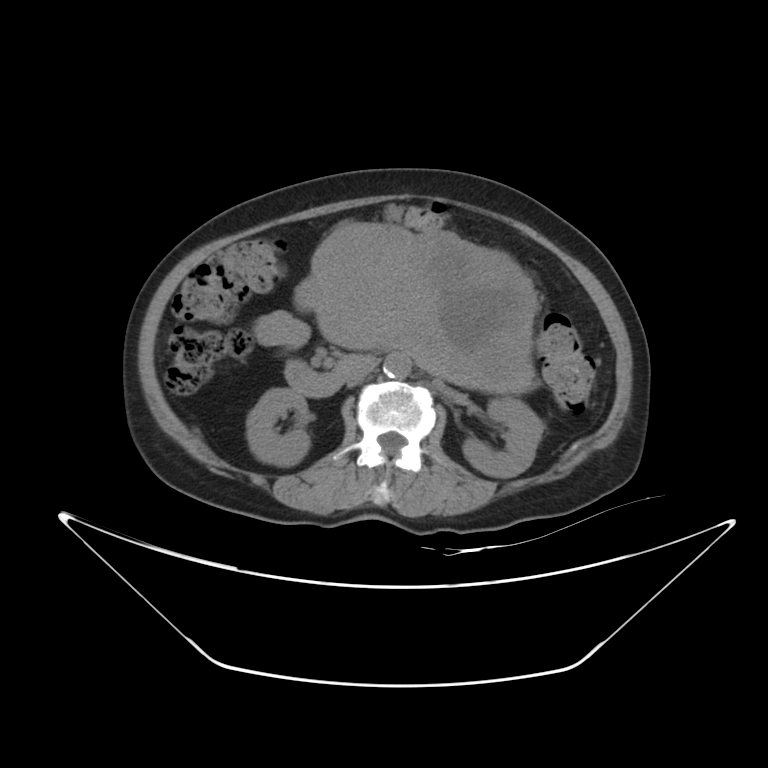

CT, abdomen/pelvis; axial view; 768x768 px
Boxes: x1 y1 x2 y2 (pixel coords, space-separated).
right kidney: 246 388 310 466
left kidney: 462 397 544 478
stomach: 296 223 535 378
aorta: 383 352 412 379
inferior vena cava: 345 357 376 386
pancreas: 407 346 534 391
duodenum: 284 352 362 396